Abdominal CT — axial view — soft-tissue window (W 400 / L 40) — 512x512 px
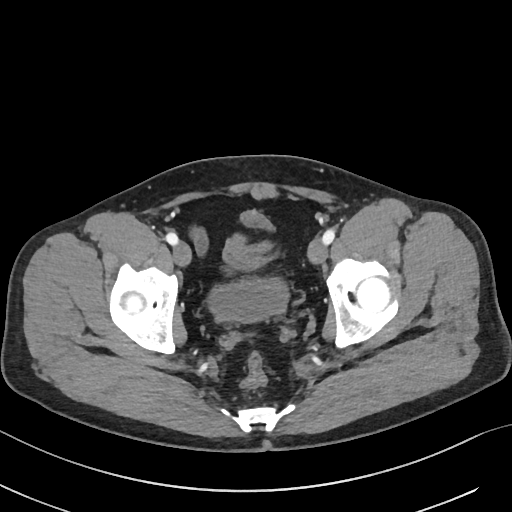

Coordinates as <box>x1,y1,x2,y2</box> in pixels. 1 labeled organ on this slice — bladder at <box>208,209,290,322</box>.